CT, abdomen/pelvis. axial view. soft-tissue window (W 400 / L 40)
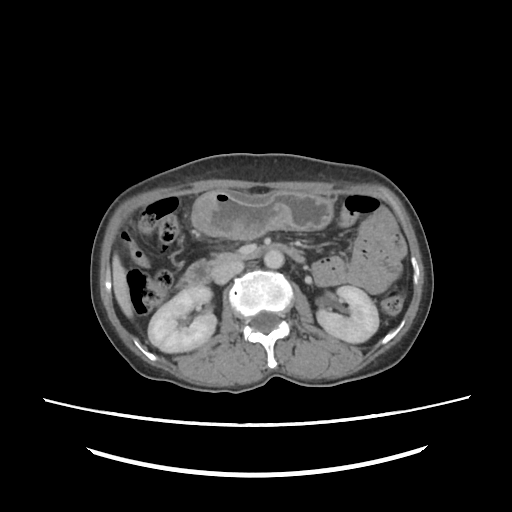

Bounding boxes as [x1, y1, x2, y2] in pixel coordinates.
right kidney: [147, 286, 215, 352]
left kidney: [316, 286, 378, 343]
liver: [113, 254, 133, 318]
stomach: [190, 189, 334, 238]
aorta: [264, 250, 284, 268]
inferior vena cava: [211, 262, 244, 283]
pancreas: [209, 249, 252, 263]
duodenum: [180, 244, 308, 287]